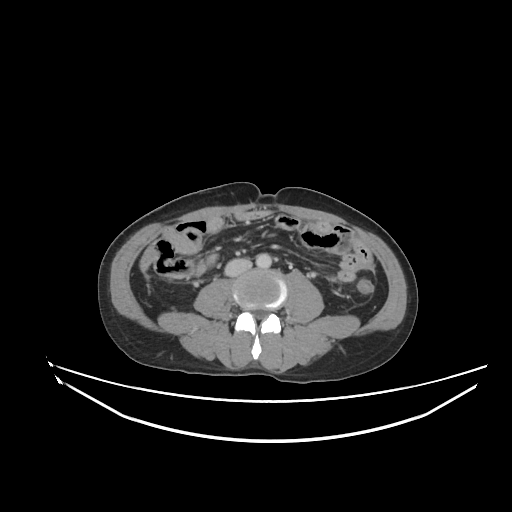
Abdominal CT; Axial slice 50/132; 512x512 px
<organs><organ name="aorta" x1="256" y1="253" x2="271" y2="268"/><organ name="inferior vena cava" x1="224" y1="258" x2="252" y2="276"/></organs>